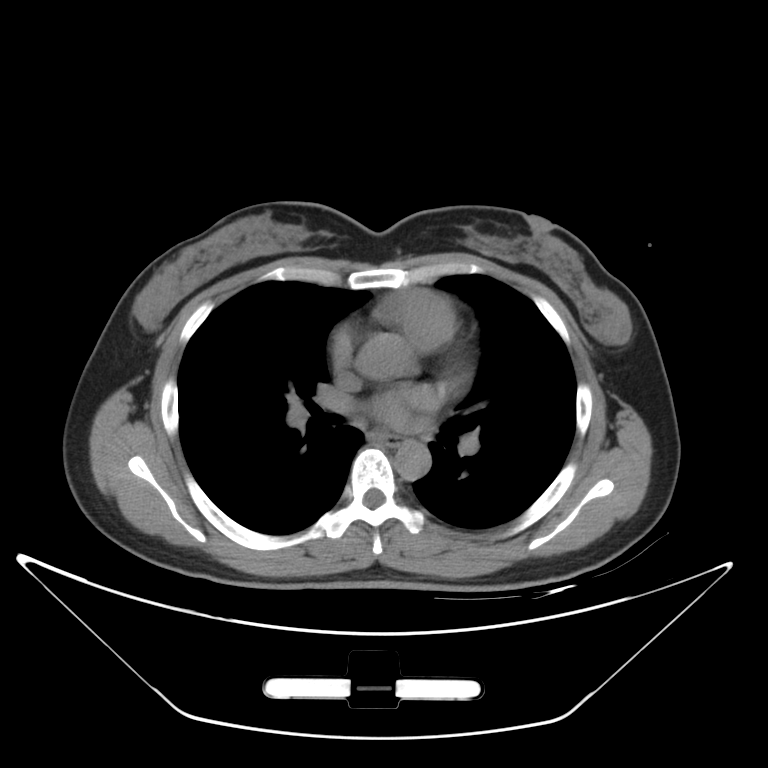
CT of the abdomen extending into the chest, slice through the chest. Axial slice 104/105. soft-tissue window. acquired on Brilliance16
On a slice this high in the chest, this dataset labels only the esophagus and the aorta, and each is boxed only where it is labeled; the heart, lungs and other chest structures are not labeled. Coordinates as <box>x1,y1,x2,y2</box> in pixels. Labeled organs on this slice: esophagus at <box>374,435,400,444</box>, aorta at <box>395,440,431,480</box>.